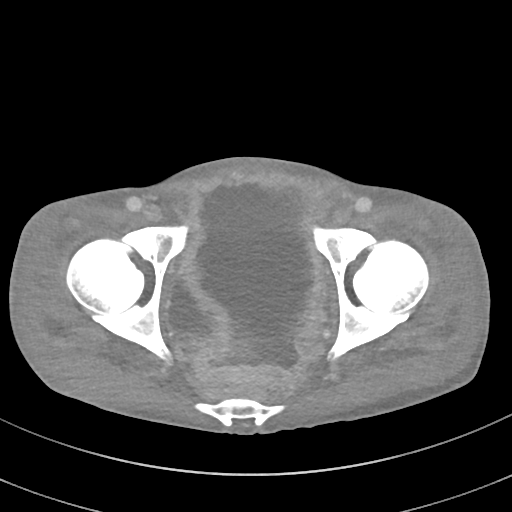 Abdominal CT — axial view — SOMATOM Force scanner
{"organs":{"bladder":[166,273,216,340]}}